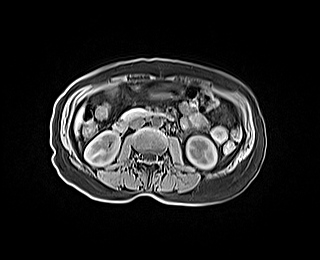 Magnetic resonance imaging, abdomen. axial view. 1st–99th percentile window
Coordinates as <box>x1,y1,x2,y2</box> in pixels.
Organ bounding boxes:
- right kidney: <box>84,131,120,166</box>
- left kidney: <box>186,136,216,168</box>
- gall bladder: <box>109,87,116,94</box>
- liver: <box>74,108,83,135</box>
- stomach: <box>150,85,181,97</box>
- aorta: <box>151,116,162,126</box>
- inferior vena cava: <box>130,118,144,128</box>
- pancreas: <box>122,108,147,118</box>
- duodenum: <box>113,111,172,131</box>